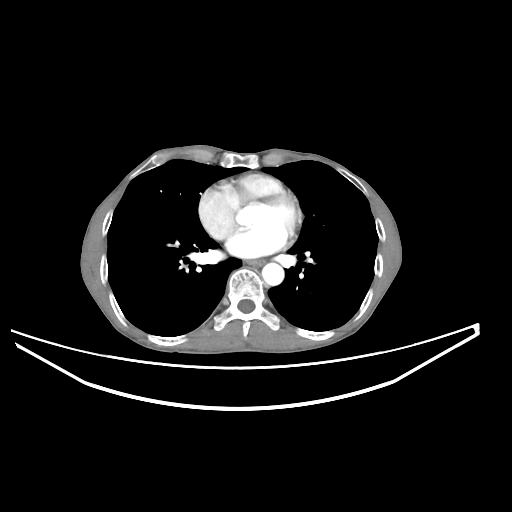

Abdominal CT reaching into the chest; this slice is in the chest — axial plane, index 92
At this level of the chest this dataset labels only the esophagus and the aorta, and each is boxed only where it is labeled; the heart and lungs are never labeled.
Organ boxes in pixel coordinates; each row gives the top-left (x1, y1) and bottom-right (x2, y2) corners.
| organ | x1 | y1 | x2 | y2 |
|---|---|---|---|---|
| esophagus | 245 | 259 | 263 | 266 |
| aorta | 262 | 263 | 284 | 285 |